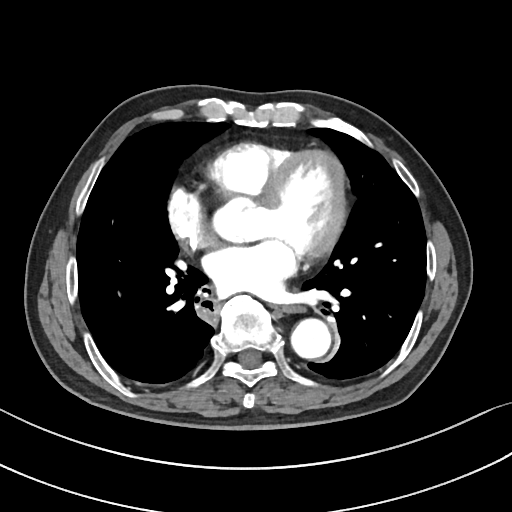
Abdominal CT; this slice is in the lower chest, just above the liver · axial view · soft-tissue window · 15 organs annotated in this scan (a whole-scan count: organs this slice does not pass through have no box)
The heart and lungs are never labeled in this dataset, so they have no box on this slice.
Boxes: x1 y1 x2 y2 (pixel coords, space-separated).
esophagus: 277 305 300 311
aorta: 290 317 330 357